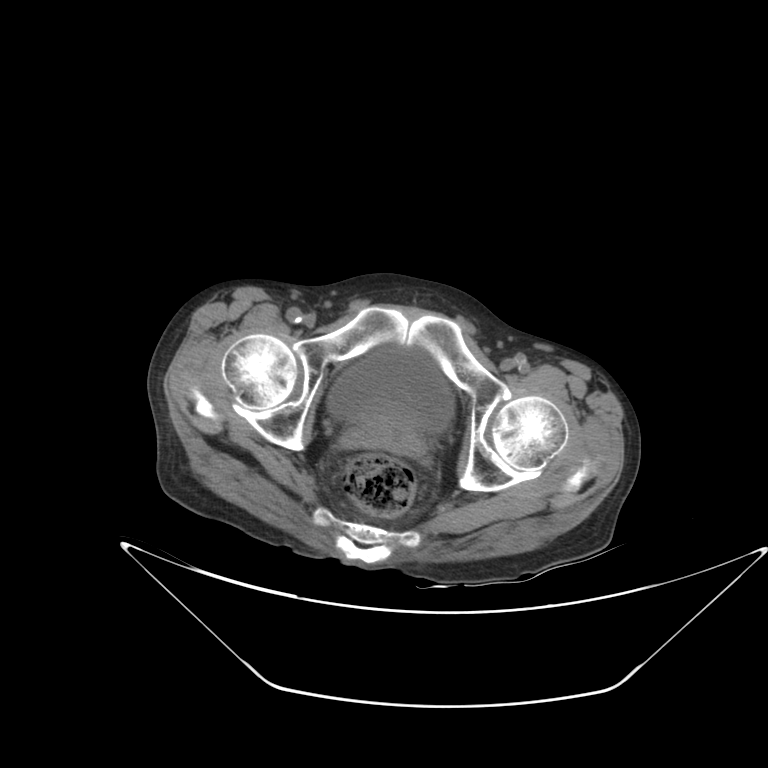

Computed tomography, abdomen — axial view — soft-tissue window (W 400 / L 40) — scan has 14 labeled organs (a whole-scan count: organs this slice does not pass through have no box)
Boxes: x1:y1:x2:y2 in pixels.
bladder: 328:345:453:431
prostate/uterus: 356:410:419:451